Abdominal CT. Axial slice 71/101. 15 organs annotated in this scan (that count is for the whole scan; organs this slice misses have no box)
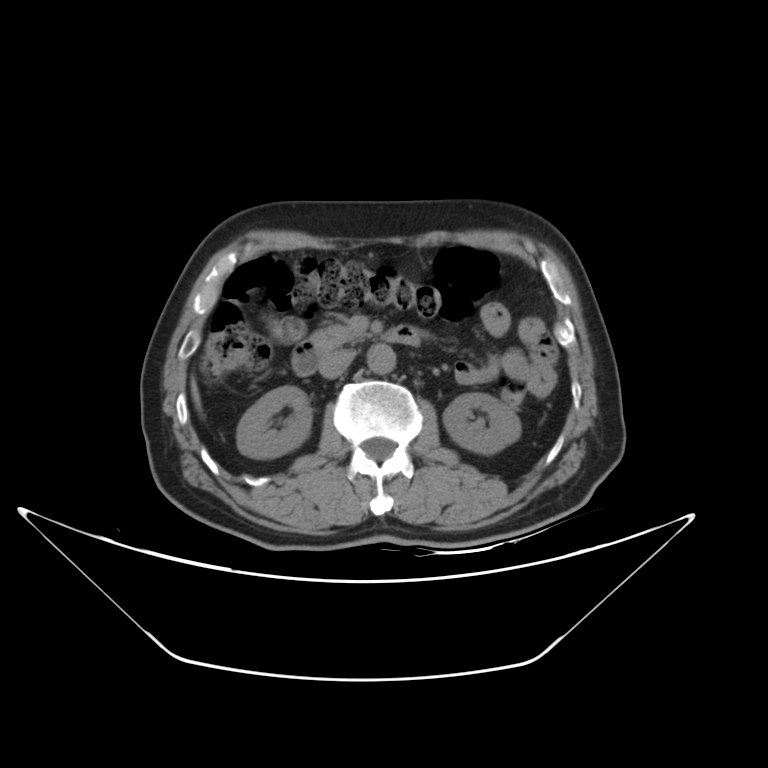
Organ boxes in pixel coordinates; each row gives the top-left (x1, y1) and bottom-right (x2, y2) corners.
| organ | x1 | y1 | x2 | y2 |
|---|---|---|---|---|
| right kidney | 235 | 386 | 310 | 457 |
| left kidney | 441 | 394 | 522 | 453 |
| liver | 192 | 381 | 200 | 412 |
| aorta | 367 | 344 | 396 | 373 |
| inferior vena cava | 319 | 350 | 356 | 376 |
| pancreas | 311 | 325 | 361 | 350 |
| duodenum | 294 | 326 | 419 | 376 |